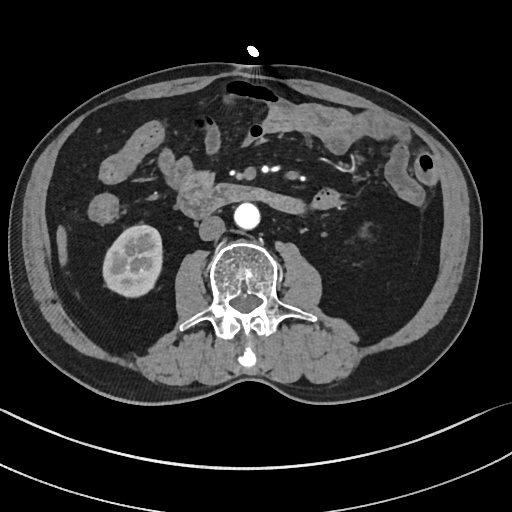
Computed tomography, abdomen. Axial slice 125/306. SOMATOM Force scanner. scan has 15 labeled organs (a whole-scan count: organs this slice does not pass through have no box)
Boxes are (x1, y1, x2, y2) in pixels.
Organ bounding boxes:
- right kidney: (103, 224, 162, 297)
- liver: (56, 226, 67, 264)
- aorta: (234, 202, 260, 229)
- inferior vena cava: (199, 216, 225, 240)
- duodenum: (177, 184, 302, 218)